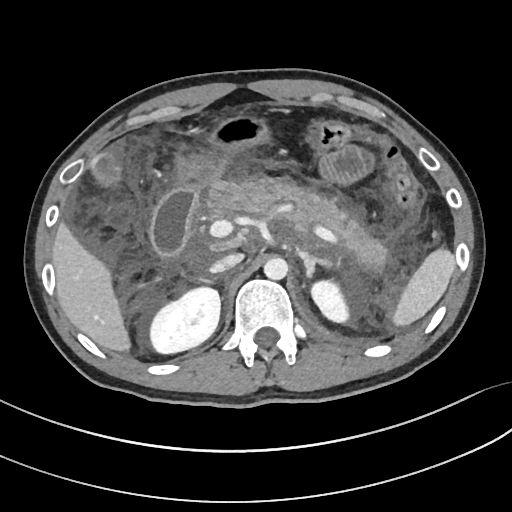 CT, abdomen/pelvis — axial plane, index 171
Boxes are (x1, y1, x2, y2) in pixels.
Organ bounding boxes:
- spleen: (392, 249, 455, 326)
- right kidney: (150, 287, 220, 353)
- left kidney: (311, 280, 349, 322)
- gall bladder: (92, 154, 120, 187)
- liver: (52, 222, 130, 351)
- stomach: (176, 113, 272, 192)
- aorta: (263, 257, 288, 280)
- inferior vena cava: (210, 253, 242, 273)
- pancreas: (209, 178, 387, 267)
- right adrenal gland: (200, 278, 214, 283)
- left adrenal gland: (299, 252, 331, 278)
- duodenum: (150, 189, 197, 255)